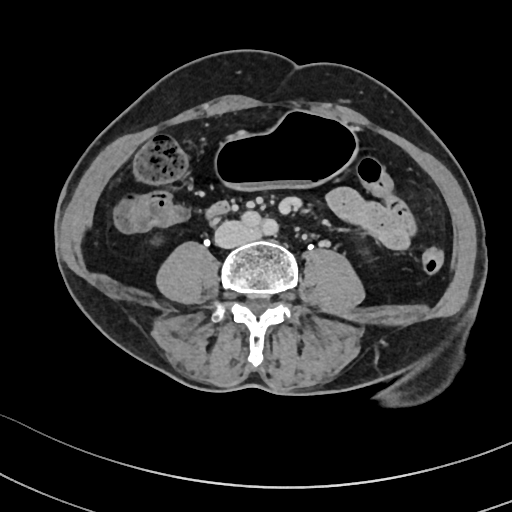
Computed tomography, abdomen — axial view — 512x512 px
Each box given as x1,y1,x2,y2.
Organ bounding boxes:
- stomach: x1=215, y1=112, x2=357, y2=188
- inferior vena cava: x1=214, y1=221, x2=257, y2=248
- duodenum: x1=205, y1=202, x2=230, y2=217